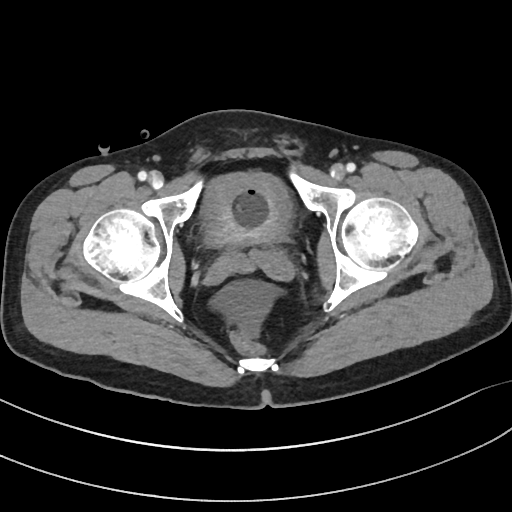 CT abdomen — axial view — 512x512 px — SOMATOM Force scanner
Bounding boxes in pixels, one row per box: x1, y1 is the top-left corner and x2, y2 the bottom-right.
| organ | x1 | y1 | x2 | y2 |
|---|---|---|---|---|
| bladder | 200 | 173 | 291 | 246 |
| prostate/uterus | 230 | 236 | 271 | 249 |